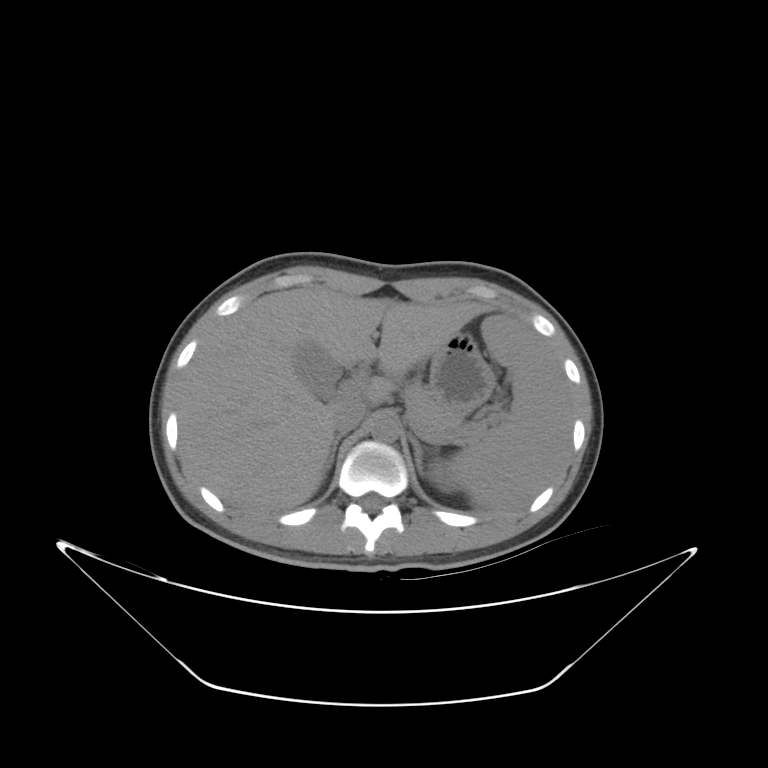
Abdominal CT — axial plane, index 78 — 768x768 px — Brilliance16 scanner — 15 organs annotated in this scan (counted over the whole 3D scan, not this slice; an organ is boxed only where this slice passes through it)
<organs><organ name="spleen" x1="450" y1="315" x2="573" y2="512"/><organ name="left kidney" x1="425" y1="459" x2="457" y2="490"/><organ name="gall bladder" x1="294" y1="344" x2="345" y2="399"/><organ name="liver" x1="177" y1="285" x2="498" y2="519"/><organ name="stomach" x1="430" y1="333" x2="495" y2="415"/><organ name="aorta" x1="371" y1="418" x2="400" y2="443"/><organ name="inferior vena cava" x1="332" y1="400" x2="366" y2="436"/><organ name="pancreas" x1="402" y1="381" x2="463" y2="430"/><organ name="right adrenal gland" x1="326" y1="434" x2="346" y2="472"/><organ name="left adrenal gland" x1="409" y1="434" x2="438" y2="476"/></organs>